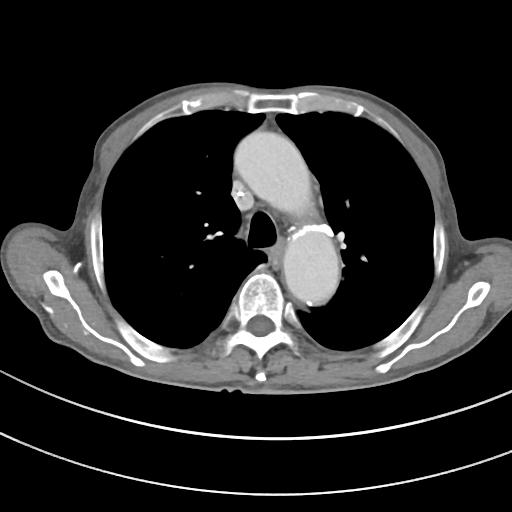 CT of the abdomen extending into the chest, slice through the chest — axial plane, index 100 — 512x512 px — acquired on SOMATOM Force
On a slice this high in the chest, this dataset labels only the esophagus and the aorta, and each is boxed only where it is labeled; the heart, lungs and other chest structures are not labeled.
Bounding boxes as [x1, y1, x2, y2] in pixel coordinates.
esophagus: [271, 239, 285, 266]
aorta: [234, 131, 312, 216]
aorta: [283, 226, 339, 305]